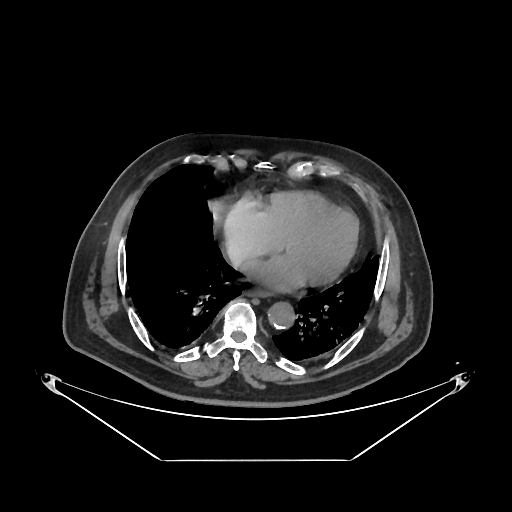

Lower-chest slice from an abdominal CT, just above the liver and spleen. axial view. W/L 400/40 HU. 512x512 px
No part of the heart or lungs is labeled in this dataset, so neither has a box here.
<organs><organ name="aorta" x1="268" y1="302" x2="294" y2="329"/><organ name="esophagus" x1="246" y1="291" x2="266" y2="296"/></organs>